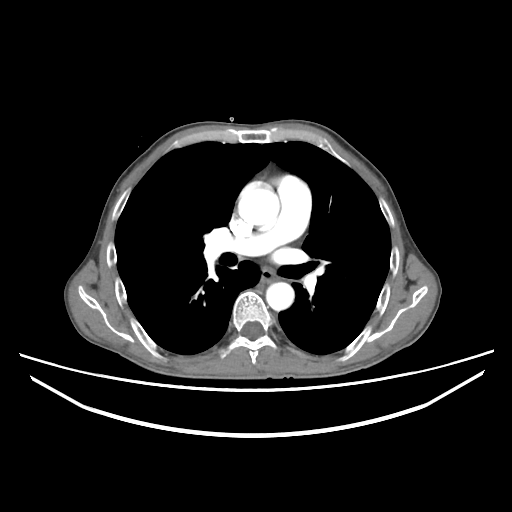

CT of the abdomen extending into the chest, slice through the chest — axial view — 50-year-old male patient — Aquilion ONE scanner — scan has 14 labeled organs (a whole-scan count: organs this slice does not pass through have no box)
On a slice this high in the chest, this dataset labels only the esophagus and the aorta, and each is boxed only where it is labeled; the heart, lungs and other chest structures are not labeled.
<organs><organ name="esophagus" x1="262" y1="268" x2="273" y2="281"/><organ name="aorta" x1="238" y1="182" x2="279" y2="226"/><organ name="aorta" x1="266" y1="282" x2="294" y2="310"/></organs>